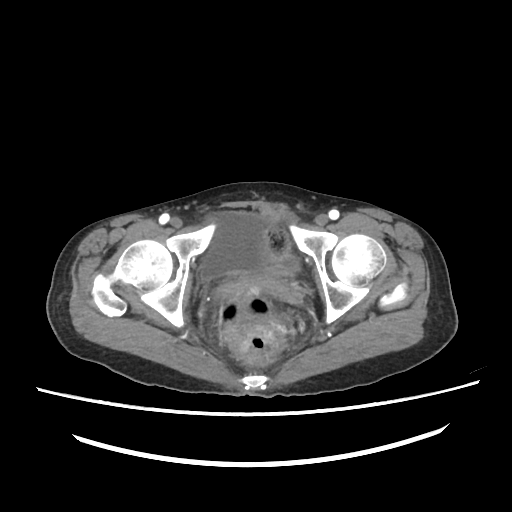 CT abdomen. axial view. 512x512 px. 58-year-old female patient. 15 organs annotated in this scan (a whole-scan count: organs this slice does not pass through have no box)
Boxes are (x1, y1, x2, y2) in pixels.
bladder: (200, 213, 270, 278)